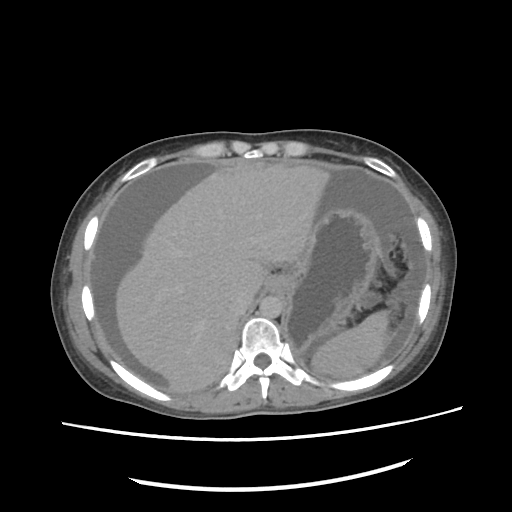

Abdominal CT. axial view. W/L 400/40 HU. 39-year-old female patient. acquired on Aquilion ONE. scan has 15 labeled organs (counted over the whole 3D scan, not this slice; an organ is boxed only where this slice passes through it)
Bounding boxes as [x1, y1, x2, y2] in pixel coordinates.
Organ bounding boxes:
- spleen: [310, 309, 389, 377]
- liver: [115, 165, 330, 393]
- stomach: [266, 210, 380, 349]
- aorta: [260, 298, 282, 318]
- inferior vena cava: [232, 291, 254, 321]